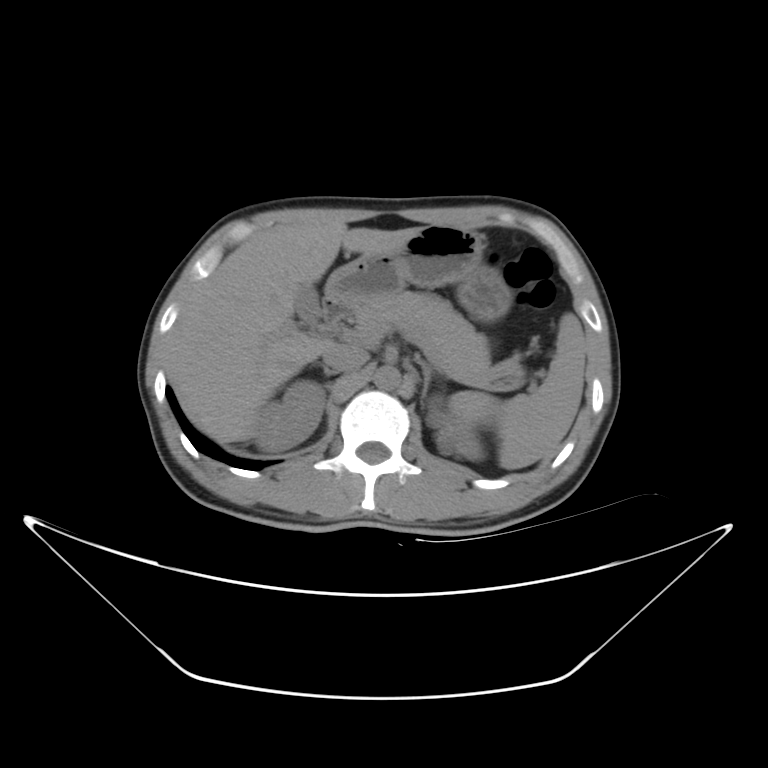 Abdominal CT · axial view · soft-tissue window (W 400 / L 40) · acquired on Brilliance16 · scan has 15 labeled organs (a whole-scan count: organs this slice does not pass through have no box)
{"organs":{"spleen":[449,313,585,470],"right kidney":[254,381,325,448],"left kidney":[426,396,482,459],"gall bladder":[293,286,320,325],"liver":[167,216,421,444],"stomach":[321,223,513,324],"aorta":[373,366,401,389],"inferior vena cava":[323,342,364,370],"pancreas":[351,291,490,375],"right adrenal gland":[302,364,340,375],"left adrenal gland":[418,360,442,410],"duodenum":[321,295,347,324]}}